CT abdomen; axial view; abdomen soft-tissue window; 512x512 px; acquired on Aquilion ONE
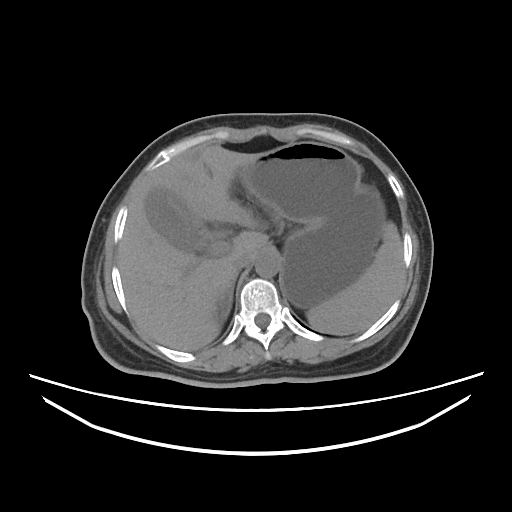
Boxes are (x1, y1, x2, y2) in pixels.
aorta: (255, 251, 279, 277)
inferior vena cava: (233, 251, 256, 270)
stomach: (237, 142, 385, 308)
gall bladder: (145, 187, 196, 249)
spleen: (306, 221, 404, 334)
right adrenal gland: (220, 278, 236, 317)
liver: (118, 145, 268, 351)